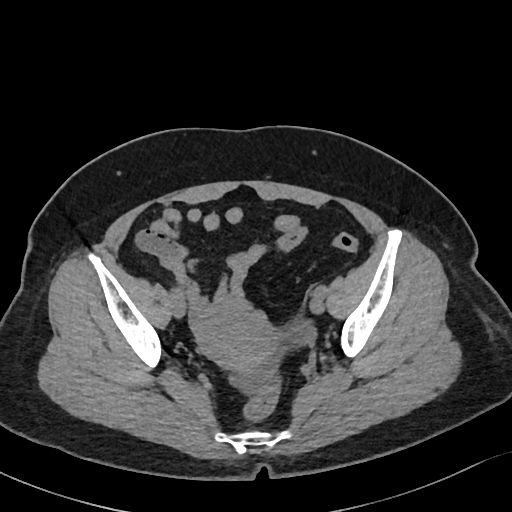
Computed tomography, abdomen. Axial slice 41/192
{"organs":{"prostate/uterus":[192,299,281,370]}}